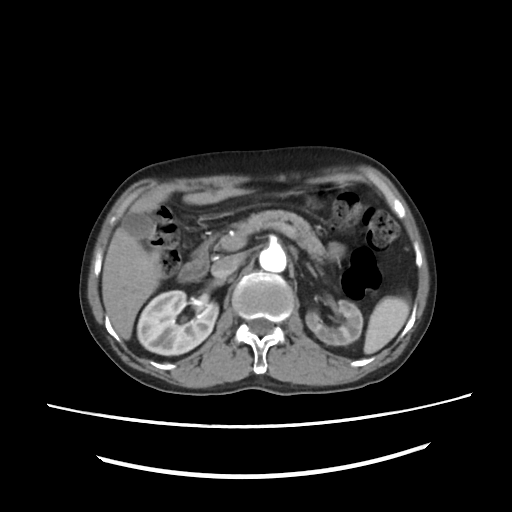 CT abdomen — axial view — Aquilion ONE scanner
Boxes are (x1, y1, x2, y2) in pixels.
spleen: (364, 297, 409, 354)
right kidney: (138, 290, 219, 355)
left kidney: (305, 299, 361, 345)
gall bladder: (122, 213, 152, 239)
liver: (101, 188, 250, 339)
aorta: (260, 246, 286, 272)
inferior vena cava: (211, 255, 238, 277)
pancreas: (232, 209, 324, 258)
left adrenal gland: (305, 263, 317, 277)
duodenum: (178, 234, 216, 281)